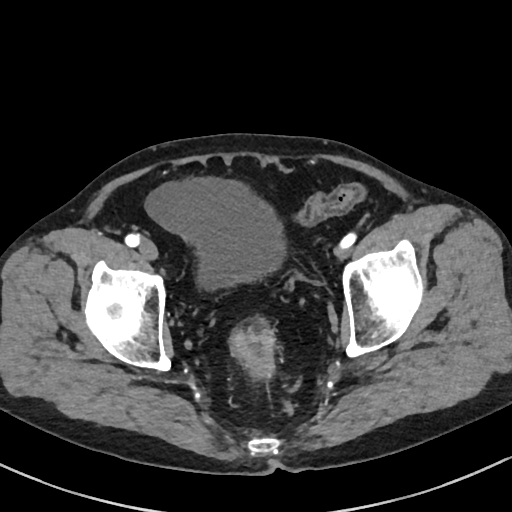

Abdominal CT · axial view · soft-tissue window
{"organs":{"bladder":[146,177,285,289]}}